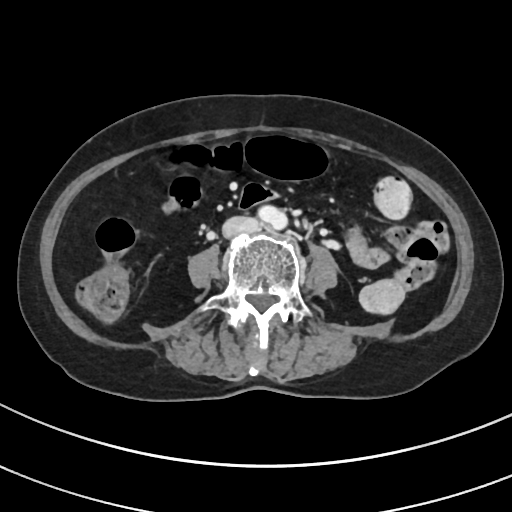 CT abdomen; Axial slice 99/284; abdomen soft-tissue window; SOMATOM Force scanner; scan has 15 labeled organs (a whole-scan count: organs this slice does not pass through have no box)
Box edges are left/top/right/bottom in pixels.
aorta: left=258, top=205, right=287, bottom=229
inferior vena cava: left=222, top=216, right=258, bottom=237